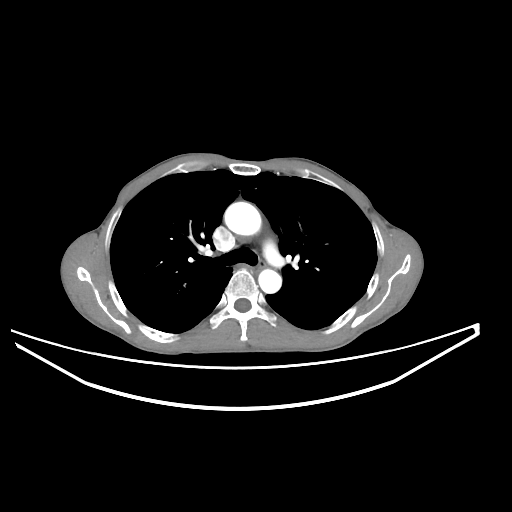

Abdominal CT reaching into the chest; this slice is in the chest; axial view; soft-tissue window (W 400 / L 40); 512x512 px; 60-year-old male patient; acquired on Aquilion ONE
On a slice this high in the chest, this dataset labels only the esophagus and the aorta, and each is boxed only where it is labeled; the heart, lungs and other chest structures are not labeled.
Boxes: x1:y1:x2:y2 in pixels.
Organ bounding boxes:
- aorta: 224:202:261:235
- aorta: 258:269:281:293
- esophagus: 256:259:266:269